CT, abdomen/pelvis. axial view. SOMATOM Force scanner
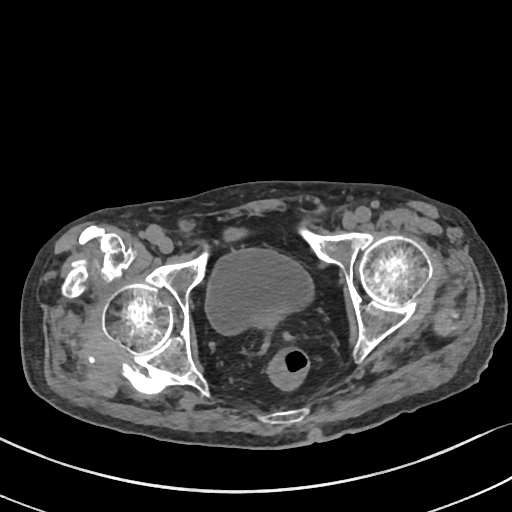

Boxes: x1:y1:x2:y2 in pixels. 1 labeled organ on this slice — bladder at 204:248:314:335.